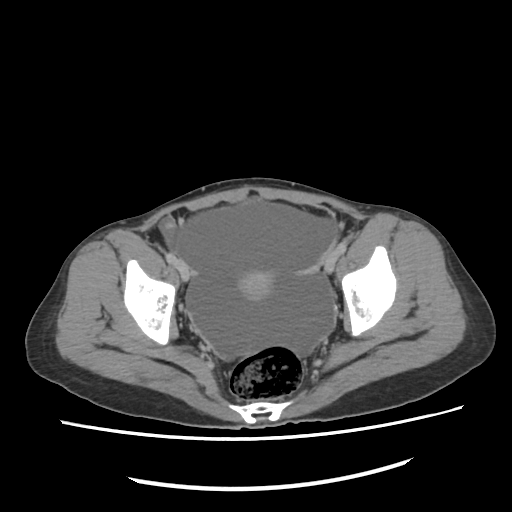

Abdominal CT — axial plane, index 27 — abdomen soft-tissue window — 15 organs annotated in this scan (a whole-scan count: organs this slice does not pass through have no box)
Each box given as x1,y1,x2,y2. 1 labeled organ on this slice — prostate/uterus at x1=238, y1=270, x2=275, y2=299.